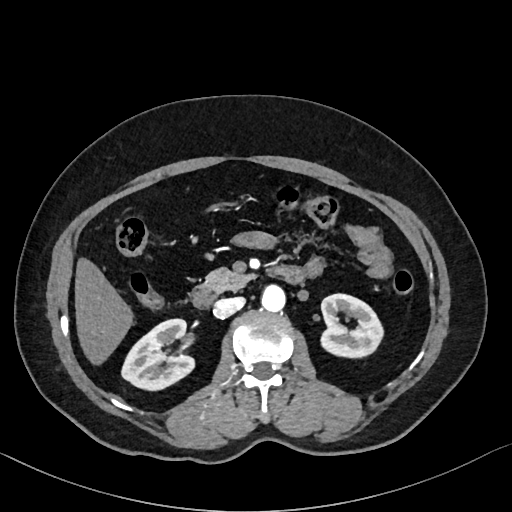
Computed tomography, abdomen. axial view
Boxes: x1 y1 x2 y2 (pixel coords, space-separated).
right kidney: 121 318 194 390
left kidney: 321 294 383 357
liver: 75 258 133 364
aorta: 261 285 285 311
inferior vena cava: 213 297 244 318
pancreas: 203 268 254 292
duodenum: 192 266 304 308